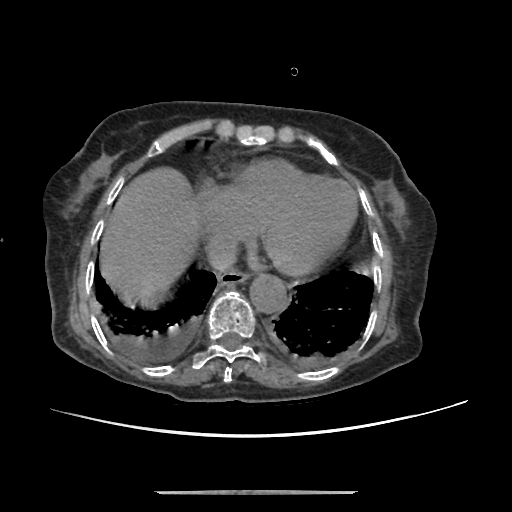 Abdominal CT; axial view; 512x512 px; acquired on SOMATOM Force; 14 organs annotated in this scan (that count is for the whole scan; organs this slice misses have no box)
Boxes: x1:y1:x2:y2 in pixels.
Organ bounding boxes:
- esophagus: 218:269:249:284
- liver: 98:165:198:298
- aorta: 249:273:286:312
- inferior vena cava: 207:234:236:271